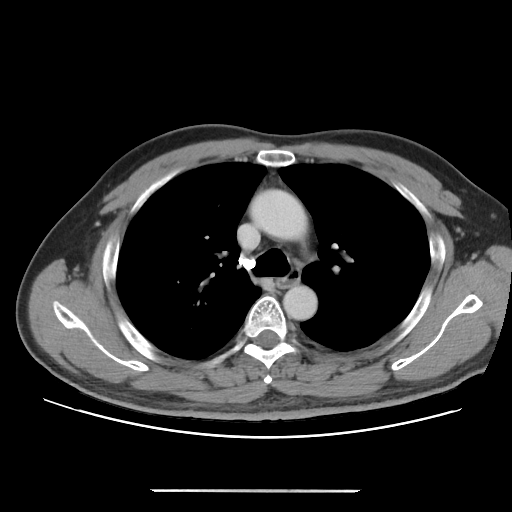
Chest-level slice from an abdominal CT that extends up into the chest; axial view; 512x512 px
At this level of the chest this dataset labels only the esophagus and the aorta, and each is boxed only where it is labeled; the heart and lungs are never labeled.
<organs><organ name="aorta" x1="249" y1="189" x2="307" y2="239"/><organ name="aorta" x1="283" y1="285" x2="317" y2="320"/><organ name="esophagus" x1="278" y1="270" x2="299" y2="287"/></organs>